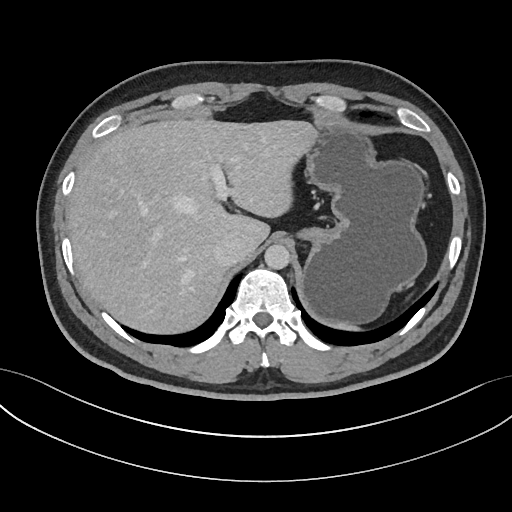

CT, abdomen/pelvis; axial view; 512x512 px
One row per box, in pixels: columns x1 and y1 give the top-left corner, x2 and y2 the bottom-right.
| organ | x1 | y1 | x2 | y2 |
|---|---|---|---|---|
| stomach | 294 | 125 | 426 | 324 |
| aorta | 264 | 244 | 290 | 269 |
| liver | 66 | 116 | 308 | 334 |
| spleen | 334 | 325 | 360 | 331 |
| inferior vena cava | 213 | 236 | 246 | 266 |